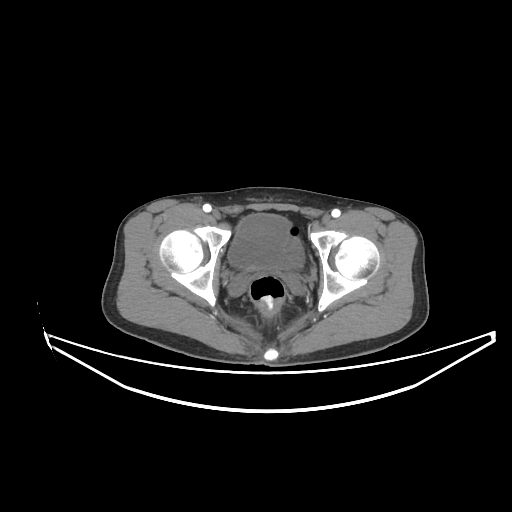
CT, abdomen/pelvis. axial view
{"organs":{"bladder":[228,213,302,268]}}